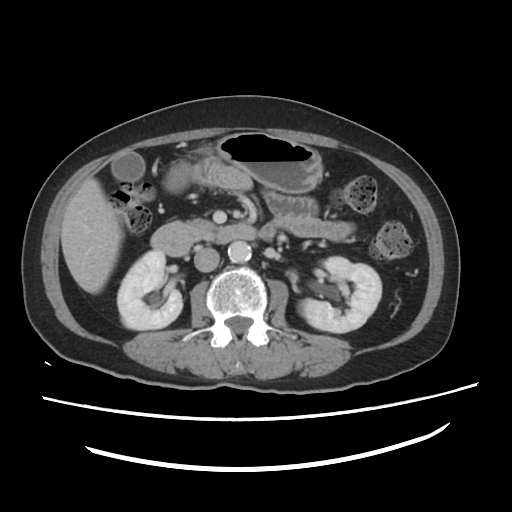

Computed tomography, abdomen · Axial slice 58/128 · soft-tissue window (W 400 / L 40) · 61-year-old female patient
One row per box, in pixels: columns x1 and y1 give the top-left corner, x2 and y2 the bottom-right.
| organ | x1 | y1 | x2 | y2 |
|---|---|---|---|---|
| inferior vena cava | 193 | 246 | 219 | 272 |
| right kidney | 117 | 252 | 183 | 329 |
| pancreas | 184 | 219 | 213 | 235 |
| left kidney | 299 | 257 | 382 | 333 |
| aorta | 228 | 242 | 252 | 262 |
| stomach | 161 | 131 | 323 | 193 |
| liver | 61 | 177 | 121 | 293 |
| duodenum | 151 | 221 | 257 | 253 |
| gall bladder | 112 | 150 | 144 | 181 |